Computed tomography, abdomen. axial view. acquired on Brilliance16
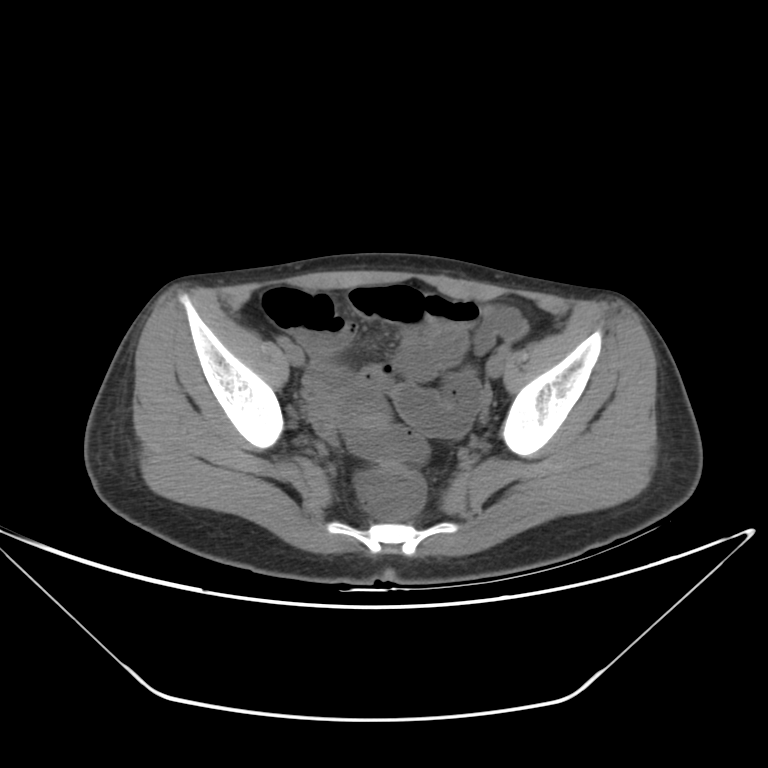 <organs><organ name="prostate/uterus" x1="350" y1="407" x2="387" y2="433"/></organs>